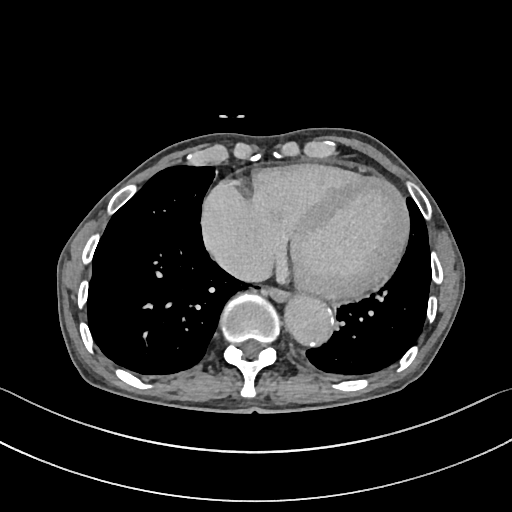
CT of the abdomen reaching into the lower chest, slice just above the liver and spleen; axial view
Of the structures in the chest, this dataset labels only the esophagus, the aorta and the inferior vena cava; the heart and lungs have no label.
<organs><organ name="inferior vena cava" x1="215" y1="247" x2="272" y2="281"/><organ name="esophagus" x1="265" y1="285" x2="289" y2="300"/><organ name="aorta" x1="283" y1="293" x2="334" y2="345"/></organs>